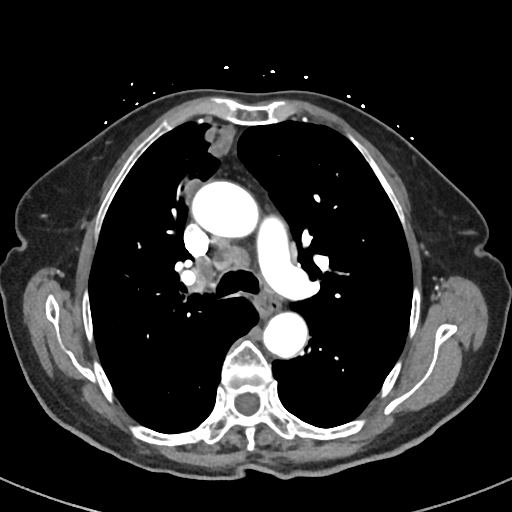
Chest-level CT slice, above the liver and spleen · axial view · 512x512 px
At this level of the chest this dataset labels only the esophagus and the aorta, and each is boxed only where it is labeled; the heart and lungs are never labeled. Boxes are (x1, y1, x2, y2) in pixels. Labeled organs on this slice: esophagus at (254, 290, 279, 315), aorta at (190, 180, 255, 236), aorta at (262, 314, 306, 359).